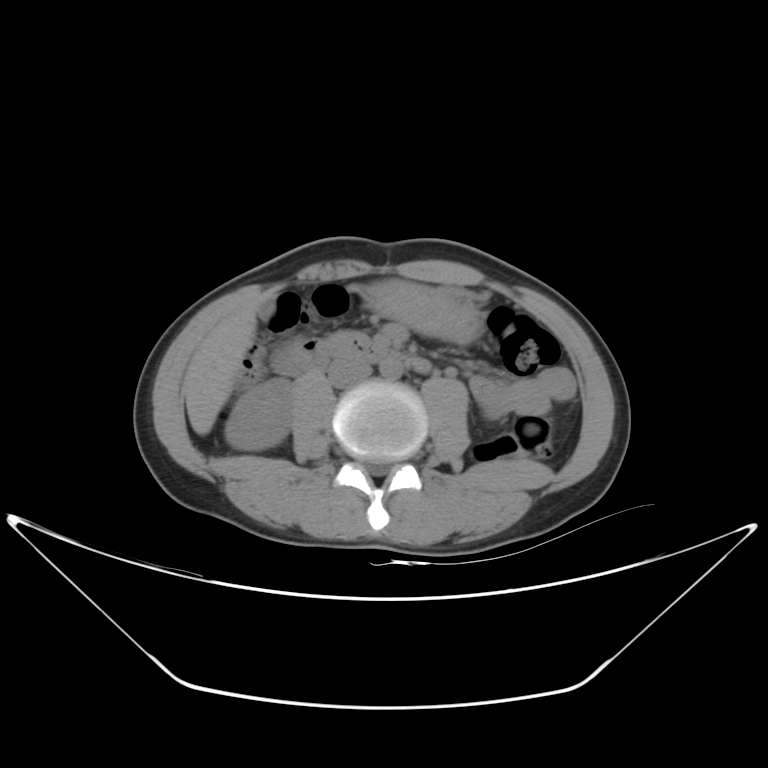

CT, abdomen/pelvis. axial view. soft-tissue window (W 400 / L 40). 768x768 px
One row per box, in pixels: columns x1 and y1 give the top-left corner, x2 and y2 the bottom-right.
| organ | x1 | y1 | x2 | y2 |
|---|---|---|---|---|
| pancreas | 331 | 330 | 370 | 345 |
| inferior vena cava | 328 | 357 | 372 | 387 |
| right kidney | 225 | 378 | 293 | 451 |
| gall bladder | 258 | 302 | 274 | 318 |
| stomach | 366 | 279 | 483 | 342 |
| liver | 184 | 305 | 256 | 434 |
| aorta | 378 | 358 | 403 | 380 |
| duodenum | 270 | 338 | 431 | 376 |